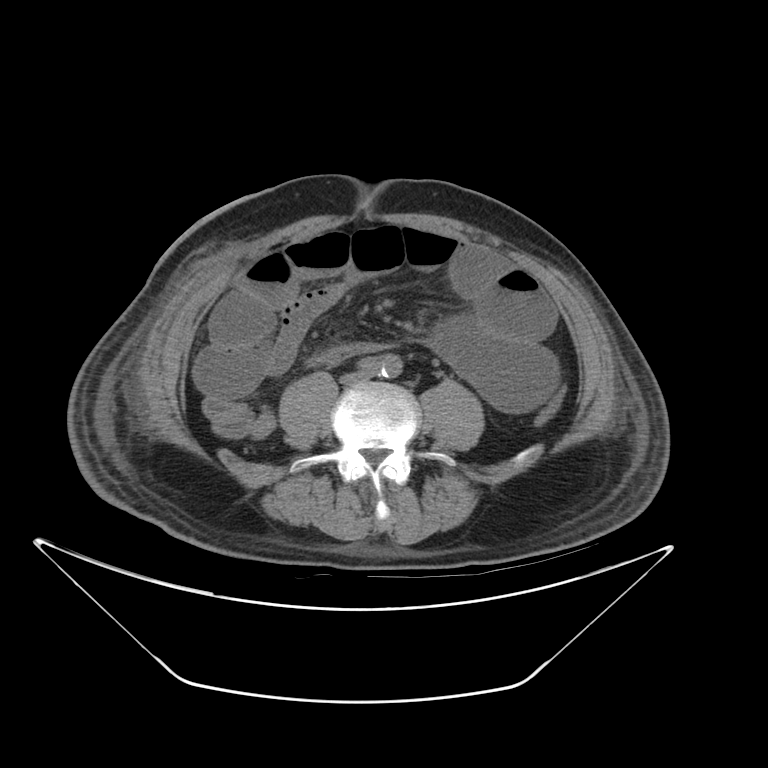
CT, abdomen/pelvis — axial plane, index 44 — 66-year-old male patient
Bounding boxes in pixels, one row per box: x1, y1 is the top-left corner and x2, y2 the bottom-right.
| organ | x1 | y1 | x2 | y2 |
|---|---|---|---|---|
| inferior vena cava | 339 | 372 | 363 | 383 |
| aorta | 365 | 374 | 389 | 378 |